Computed tomography, abdomen · axial plane, index 184 · W/L 400/40 HU · 512x512 px
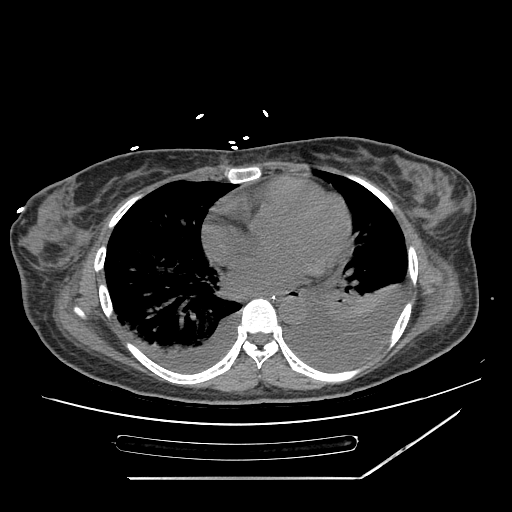

Boxes: x1 y1 x2 y2 (pixel coords, space-separated). 3 labeled organs on this slice — aorta at 279 296 305 323; stomach at 286 295 300 296; esophagus at 263 288 300 300.